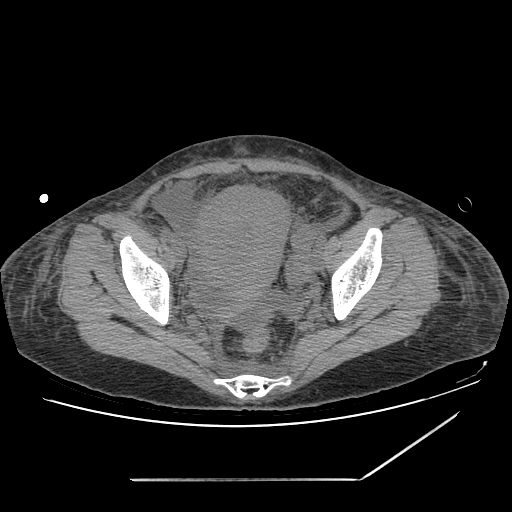 Computed tomography, abdomen; axial view; soft-tissue window
Boxes: x1:y1:x2:y2 in pixels.
prostate/uterus: 196:184:289:307